Chest-level CT slice, above the liver and spleen; axial view; 512x512 px
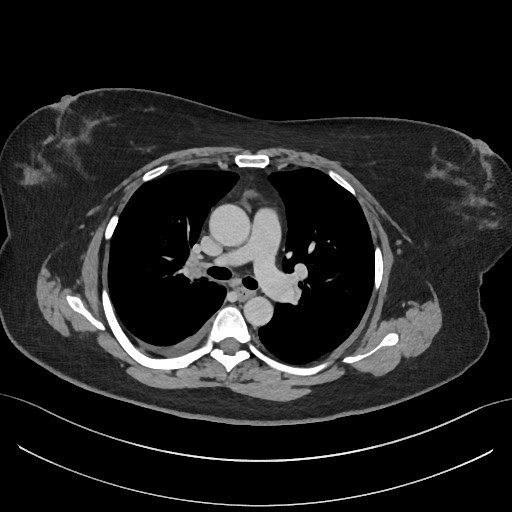 At this level of the chest this dataset labels only the esophagus and the aorta, and each is boxed only where it is labeled; the heart and lungs are never labeled.
Each box given as x1,y1,x2,y2.
esophagus: x1=238, y1=289, x2=252, y2=299
aorta: x1=209, y1=204, x2=250, y2=246
aorta: x1=243, y1=296, x2=273, y2=326